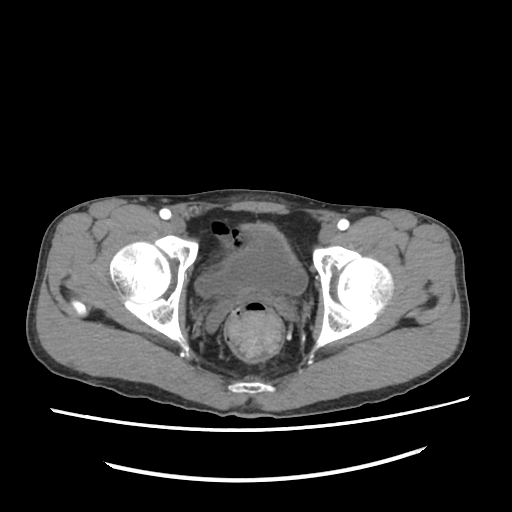

CT abdomen — axial view — soft-tissue window — acquired on Aquilion ONE
Boxes are (x1, y1, x2, y2) in pixels.
bladder: (196, 223, 307, 297)